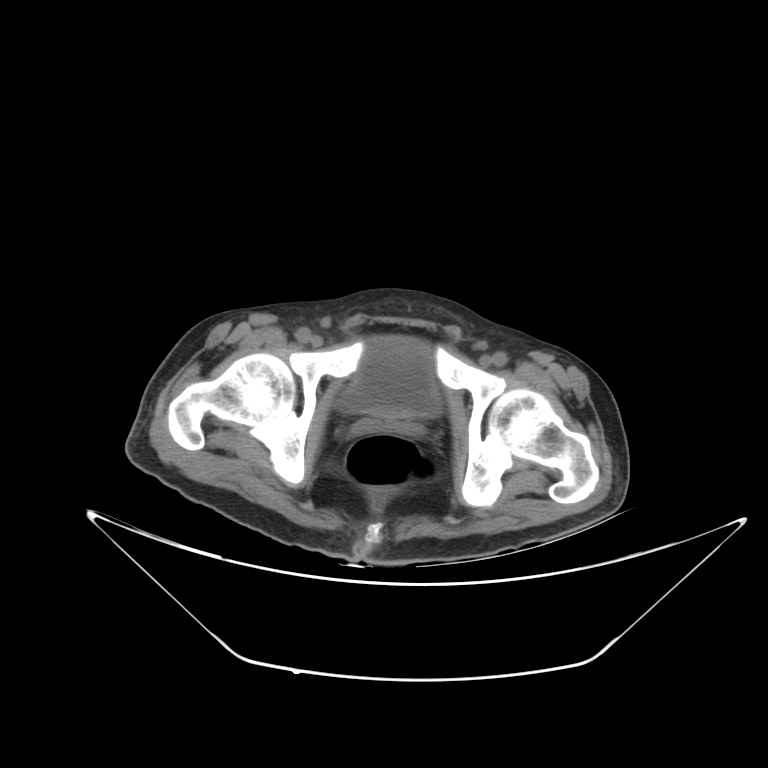

Computed tomography, abdomen. axial plane, index 12. soft-tissue window. 768x768 px. 55-year-old male patient
{"organs":{"bladder":[341,338,440,416]}}